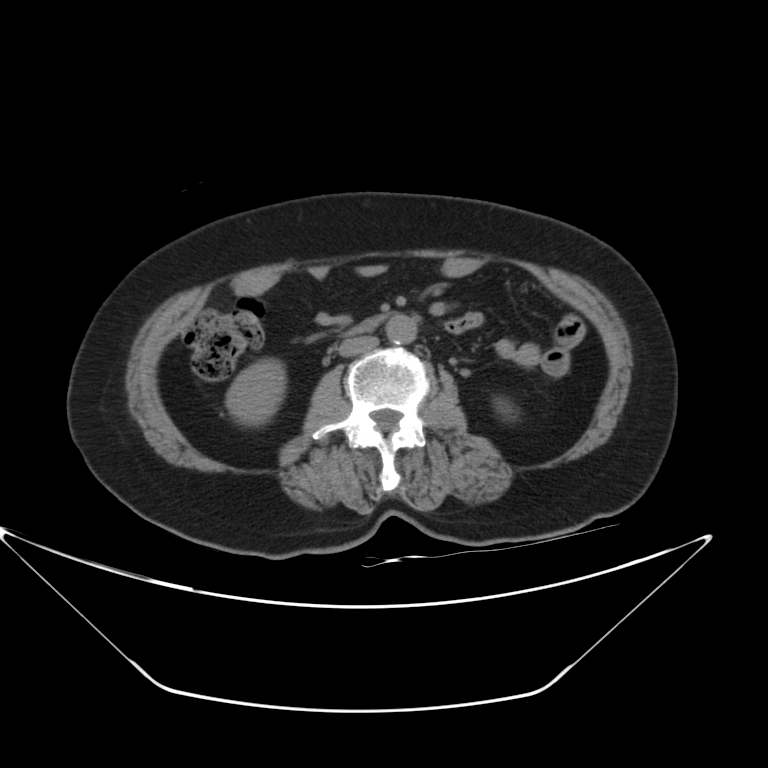 CT abdomen · Axial slice 53/97 · soft-tissue window (W 400 / L 40) · scan has 15 labeled organs (a whole-scan count: organs this slice does not pass through have no box)
One row per box, in pixels: columns x1 and y1 give the top-left corner, x2 and y2 the bottom-right.
| organ | x1 | y1 | x2 | y2 |
|---|---|---|---|---|
| duodenum | 350 | 318 | 380 | 333 |
| right kidney | 226 | 358 | 286 | 425 |
| left kidney | 494 | 397 | 515 | 418 |
| aorta | 385 | 314 | 417 | 344 |
| inferior vena cava | 338 | 335 | 378 | 356 |